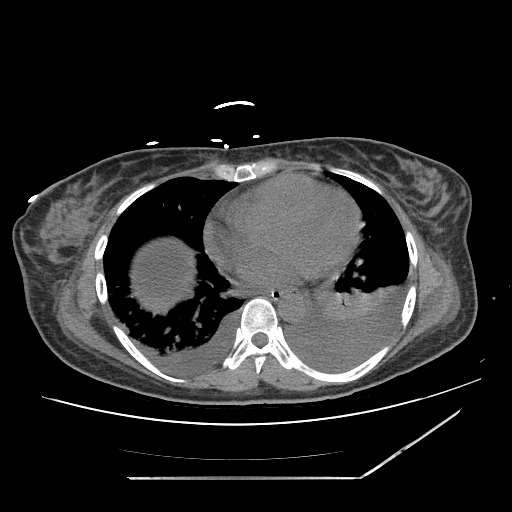 CT abdomen; axial view; abdomen soft-tissue window; 512x512 px
Box edges are left/top/right/bottom in pixels.
esophagus: left=258, top=290, right=298, bottom=299
stomach: left=279, top=294, right=299, bottom=300
aorta: left=278, top=295, right=305, bottom=322